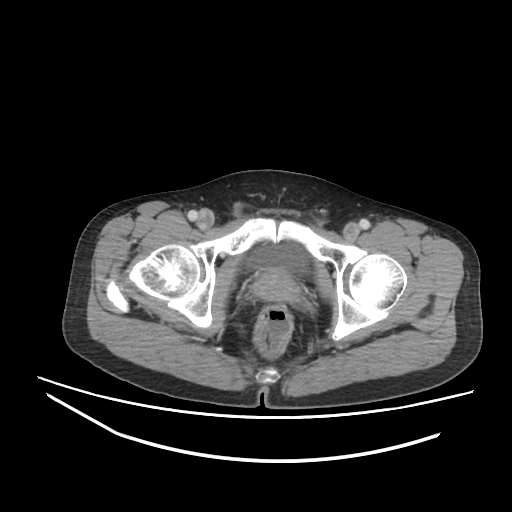 CT, abdomen/pelvis · axial view · acquired on Aquilion ONE
Boxes: x1 y1 x2 y2 (pixel coords, space-separated).
Organ bounding boxes:
- prostate/uterus: 254 269 298 300
- bladder: 251 244 307 272